Chest-level CT slice, above the liver and spleen — axial view — soft-tissue window, W/L 400/40
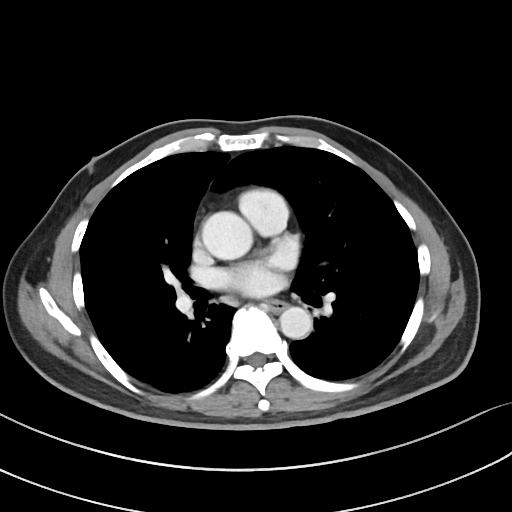 On a slice this high in the chest, this dataset labels only the esophagus and the aorta, and each is boxed only where it is labeled; the heart, lungs and other chest structures are not labeled. Bounding boxes as [x1, y1, x2, y2] in pixel coordinates. Labeled organs on this slice: esophagus at [266, 300, 286, 312], aorta at [202, 211, 252, 259], aorta at [279, 306, 312, 338].